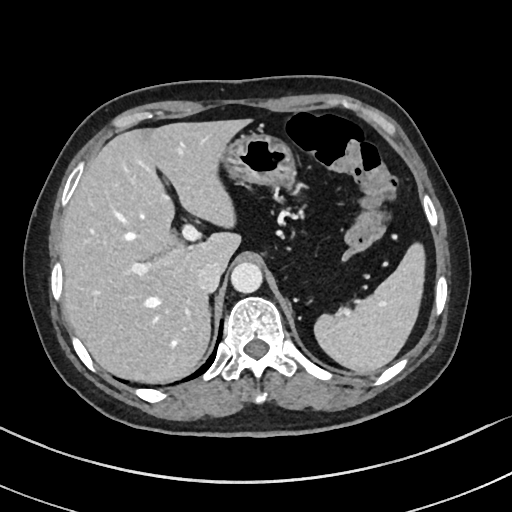
Computed tomography, abdomen; axial view; 14 organs annotated in this scan (that count is for the whole scan; organs this slice misses have no box)
Bounding boxes in pixels, one row per box: x1, y1 is the top-left corner and x2, y2 the bottom-right.
| organ | x1 | y1 | x2 | y2 |
|---|---|---|---|---|
| spleen | 314 | 244 | 425 | 374 |
| liver | 60 | 119 | 248 | 384 |
| stomach | 224 | 132 | 293 | 184 |
| aorta | 231 | 262 | 262 | 293 |
| inferior vena cava | 197 | 261 | 223 | 292 |